CT, abdomen/pelvis. axial view. soft-tissue window (W 400 / L 40). acquired on Brilliance16
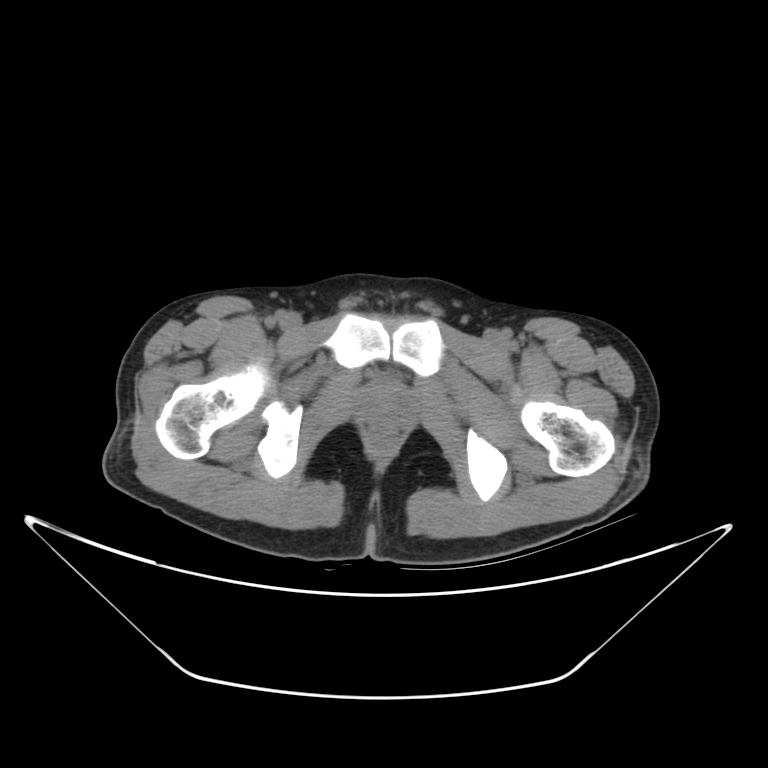 Coordinates as <box>x1,y1,x2,y2</box> in pixels.
prostate/uterus: <box>360,383,410,420</box>
bladder: <box>367,366,401,377</box>